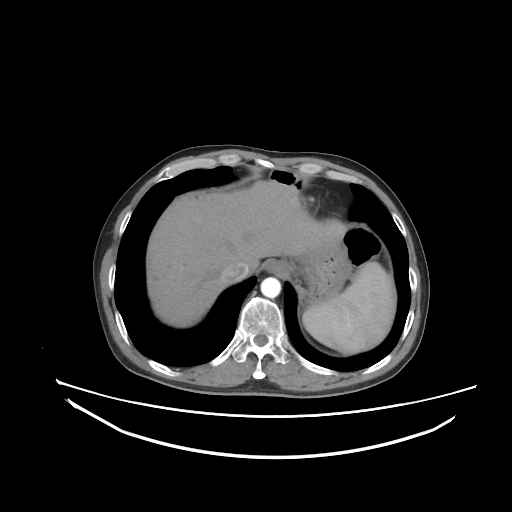
Abdominal CT; axial view; abdomen soft-tissue window; 52-year-old male patient
Bounding boxes in pixels, one row per box: x1, y1 is the top-left corner and x2, y2 the bottom-right.
| organ | x1 | y1 | x2 | y2 |
|---|---|---|---|---|
| spleen | 302 | 262 | 395 | 354 |
| esophagus | 264 | 259 | 290 | 275 |
| liver | 147 | 179 | 345 | 327 |
| stomach | 292 | 244 | 352 | 303 |
| aorta | 260 | 277 | 280 | 298 |
| inferior vena cava | 221 | 261 | 249 | 282 |